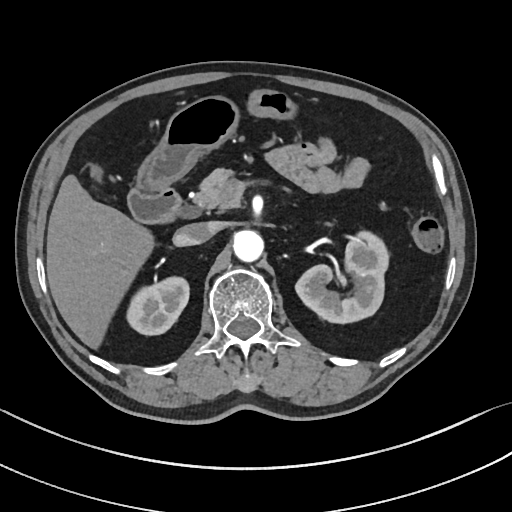 Computed tomography, abdomen · axial plane, index 155 · scan has 15 labeled organs (a whole-scan count: organs this slice does not pass through have no box)
Box edges are left/top/right/bottom in pixels. 8 labeled organs on this slice — liver at left=46, top=176, right=151, bottom=346; right kidney at left=127, top=278, right=189, bottom=335; aorta at left=232, top=229, right=263, bottom=260; duodenum at left=128, top=187, right=184, bottom=224; left kidney at left=296, top=232, right=390, bottom=321; stomach at left=134, top=97, right=237, bottom=194; inferior vena cava at left=174, top=222, right=216, bottom=245; pancreas at left=192, top=169, right=230, bottom=211.